CT, abdomen/pelvis. axial plane, index 5. 512x512 px
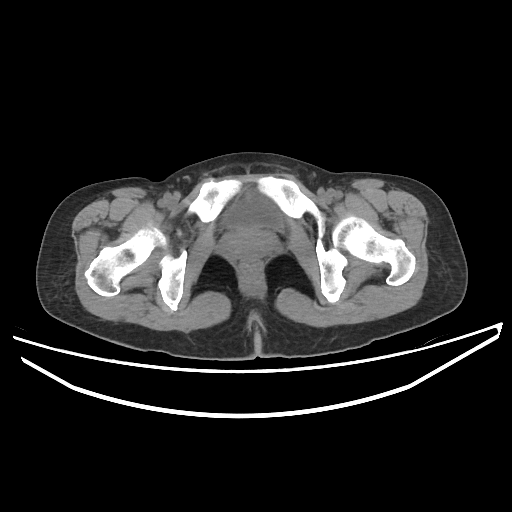

Each box given as x1,y1,x2,y2.
Organ bounding boxes:
- bladder: x1=223, y1=195, x2=283, y2=232